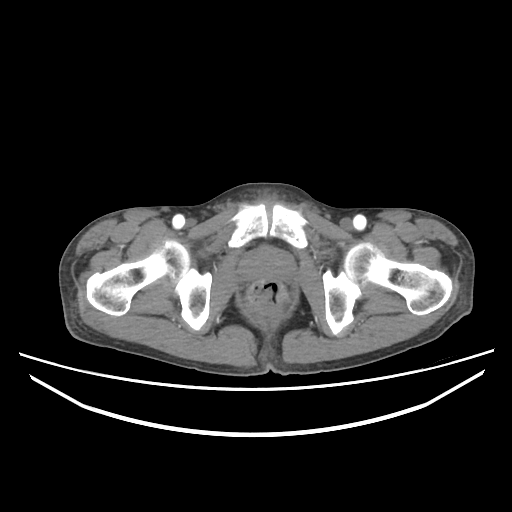

CT, abdomen/pelvis · axial plane, index 6 · 512x512 px · 50-year-old male patient
Boxes: x1 y1 x2 y2 (pixel coords, space-separated). The annotated organs in this slice are: prostate/uterus at 243 248 291 278.